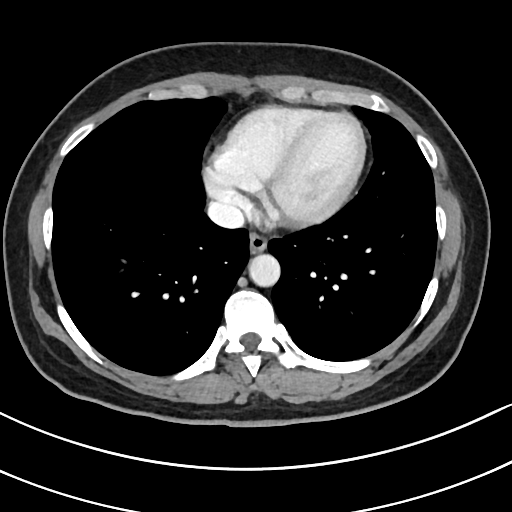
Lower-chest slice from an abdominal CT, just above the liver and spleen — axial view — W/L 400/40 HU — SOMATOM Force scanner — 15 organs annotated in this scan (a whole-scan count: organs this slice does not pass through have no box)
The heart and lungs are never labeled in this dataset, so they have no box on this slice.
{"organs":{"esophagus":[248,234,267,254],"aorta":[249,255,280,287],"inferior vena cava":[207,201,245,228]}}